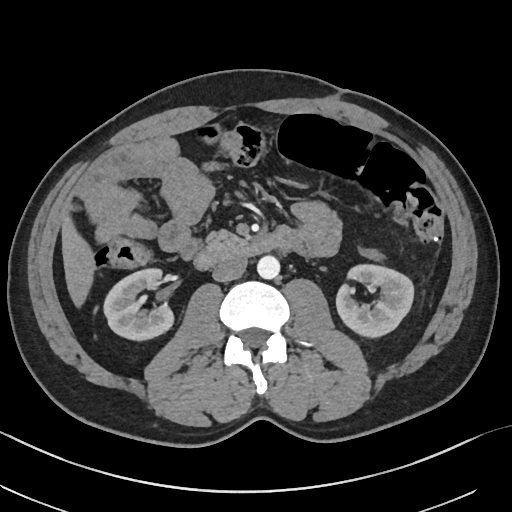
CT, abdomen/pelvis. Axial slice 137/307. SOMATOM Force scanner
Coordinates as <box>x1,y1,x2,y2</box> in pixels. 7 labeled organs on this slice — right kidney at <box>103,268,173,340</box>; left kidney at <box>336,264,413,337</box>; liver at <box>61,216,94,307</box>; aorta at <box>257,255,279,279</box>; inferior vena cava at <box>212,256,247,282</box>; pancreas at <box>204,230,247,248</box>; duodenum at <box>194,234,290,269</box>.